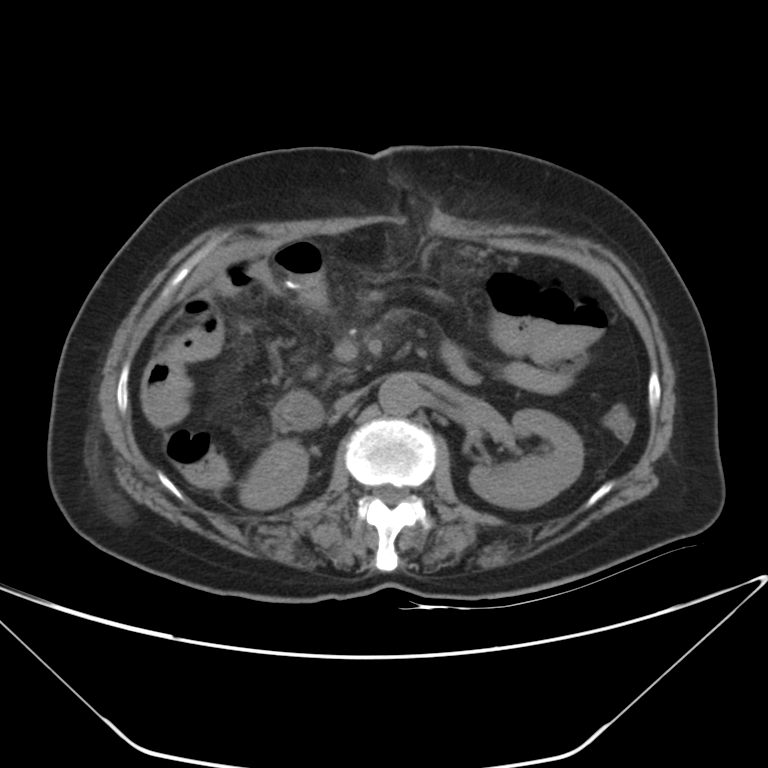
Computed tomography, abdomen; axial view; 768x768 px; Brilliance16 scanner; scan has 14 labeled organs (that count is for the whole scan; organs this slice misses have no box)
Boxes: x1 y1 x2 y2 (pixel coords, space-separated). Labeled organs on this slice: right kidney at 239 440 308 509, inferior vena cava at 334 391 360 414, left kidney at 469 409 583 509, duodenum at 272 392 320 428, aorta at 378 373 421 414.